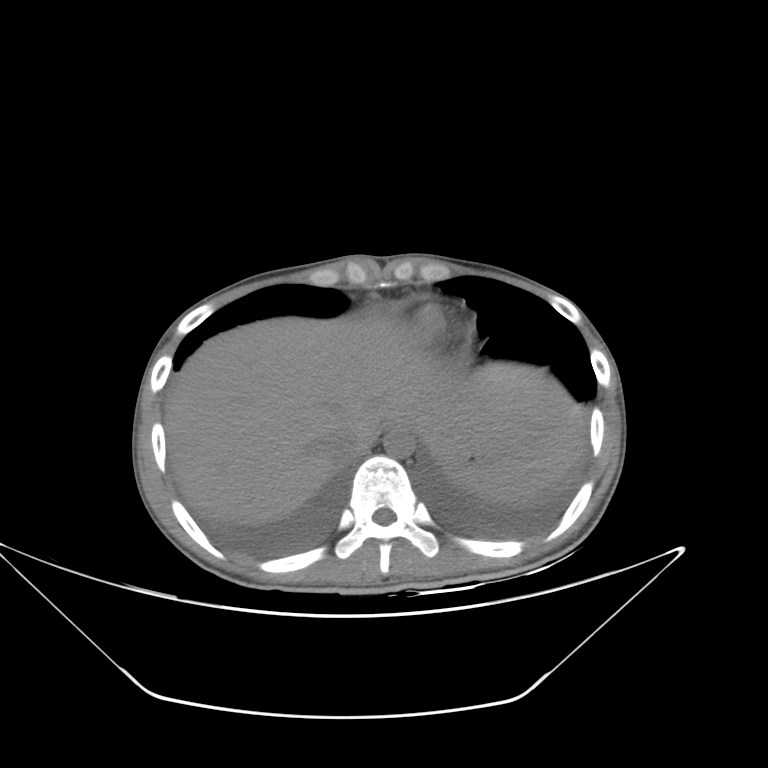 Computed tomography, abdomen — axial view — 768x768 px
Organ boxes in pixel coordinates; each row gives the top-left (x1, y1) and bottom-right (x2, y2) corners.
| organ | x1 | y1 | x2 | y2 |
|---|---|---|---|---|
| spleen | 452 | 427 | 582 | 505 |
| esophagus | 387 | 425 | 414 | 434 |
| liver | 165 | 316 | 587 | 526 |
| stomach | 434 | 445 | 496 | 475 |
| aorta | 383 | 431 | 414 | 458 |
| inferior vena cava | 324 | 425 | 368 | 462 |